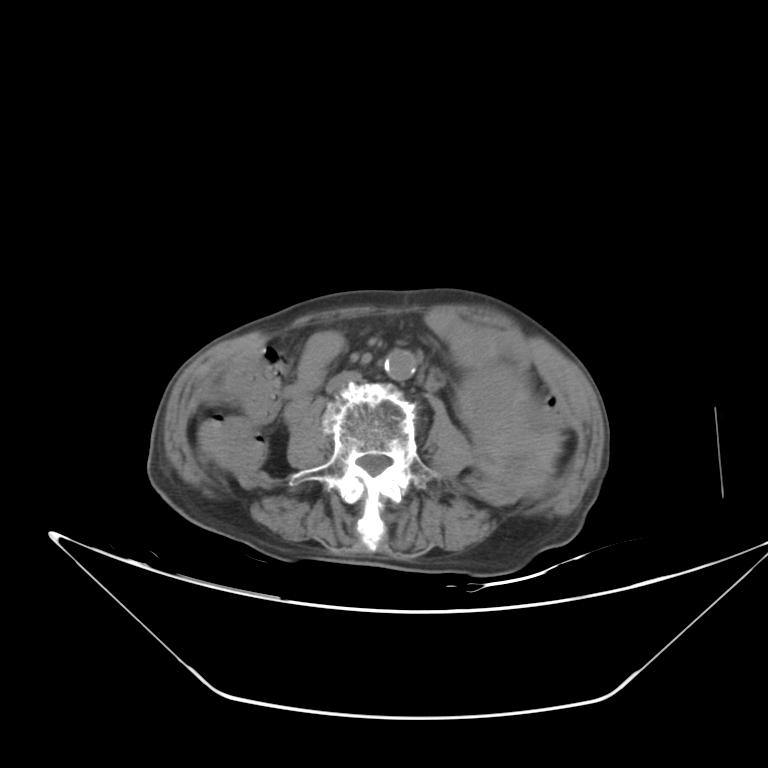
CT abdomen · Axial slice 46/80
<organs><organ name="left kidney" x1="450" y1="322" x2="559" y2="493"/><organ name="inferior vena cava" x1="324" y1="371" x2="363" y2="395"/><organ name="aorta" x1="384" y1="347" x2="415" y2="380"/></organs>